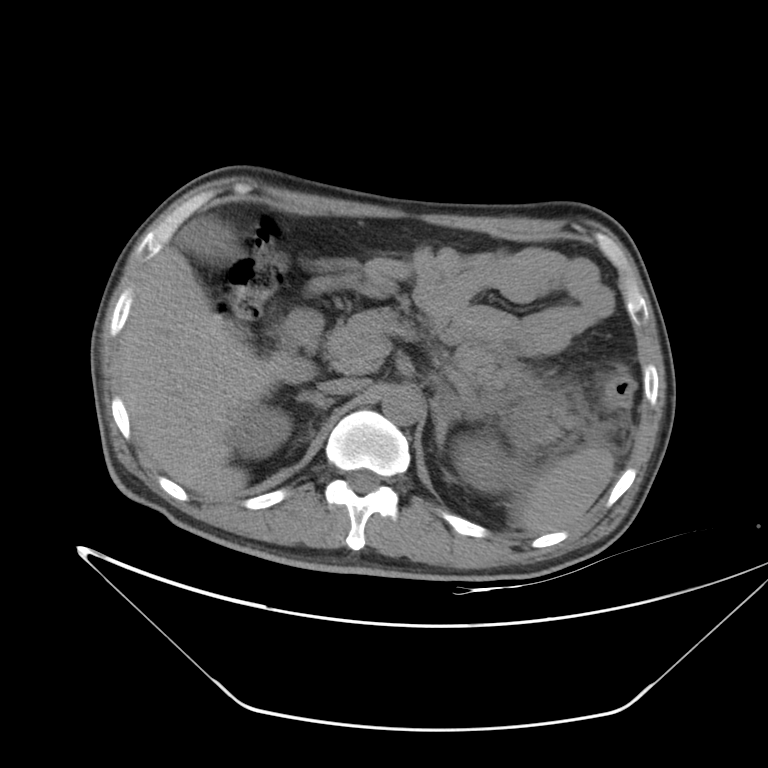

Abdominal CT · axial view · 768x768 px · 47-year-old male patient
Bounding boxes in pixels, one row per box: x1, y1 is the top-left corner and x2, y2 the bottom-right.
| organ | x1 | y1 | x2 | y2 |
|---|---|---|---|---|
| aorta | 382 | 387 | 421 | 425 |
| left kidney | 453 | 436 | 508 | 491 |
| spleen | 515 | 448 | 613 | 534 |
| duodenum | 269 | 308 | 323 | 382 |
| right kidney | 229 | 407 | 291 | 459 |
| inferior vena cava | 319 | 379 | 361 | 394 |
| gall bladder | 178 | 218 | 227 | 258 |
| pancreas | 324 | 307 | 577 | 446 |
| right adrenal gland | 296 | 393 | 334 | 408 |
| liver | 118 | 247 | 279 | 498 |
| left adrenal gland | 433 | 402 | 458 | 451 |